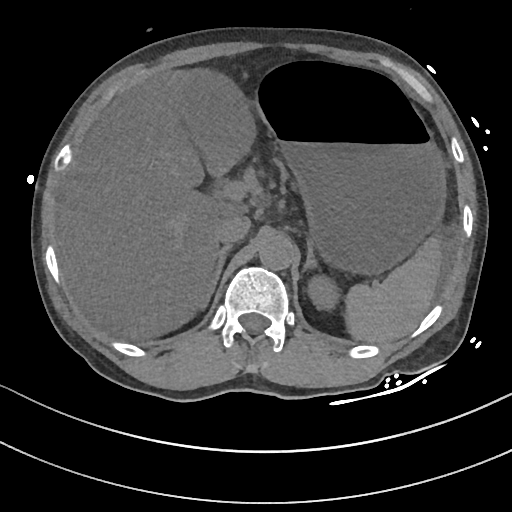

Computed tomography, abdomen · axial view · W/L 400/40 HU · 15 organs annotated in this scan (that count is for the whole scan; organs this slice misses have no box)
Coordinates as <box>x1,y1,x2,y2</box> in pixels.
Organ bounding boxes:
- spleen: <box>346,234,443,342</box>
- left kidney: <box>305,275,337,312</box>
- gall bladder: <box>181,69,250,174</box>
- liver: <box>56,68,238,340</box>
- stomach: <box>254,64,444,271</box>
- aorta: <box>258,231,294,269</box>
- inferior vena cava: <box>214,214,250,243</box>
- right adrenal gland: <box>203,243,234,305</box>
- left adrenal gland: <box>303,237,318,266</box>